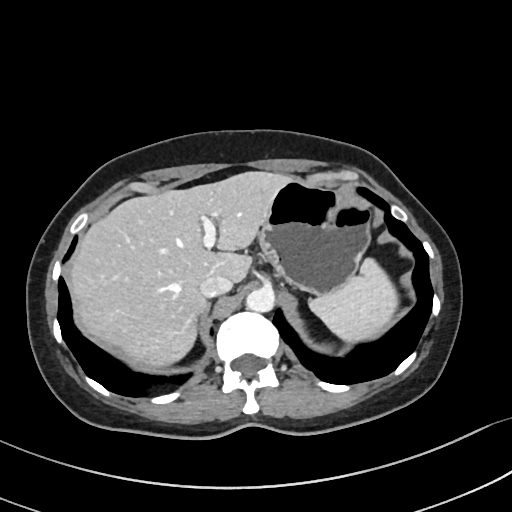

CT, abdomen/pelvis — Axial slice 153/175 — soft-tissue window — 512x512 px
{"organs":{"aorta":[246,287,275,312],"right adrenal gland":[200,301,210,320],"inferior vena cava":[199,276,232,297],"spleen":[310,257,395,341],"liver":[71,171,291,367],"stomach":[258,180,370,292]}}